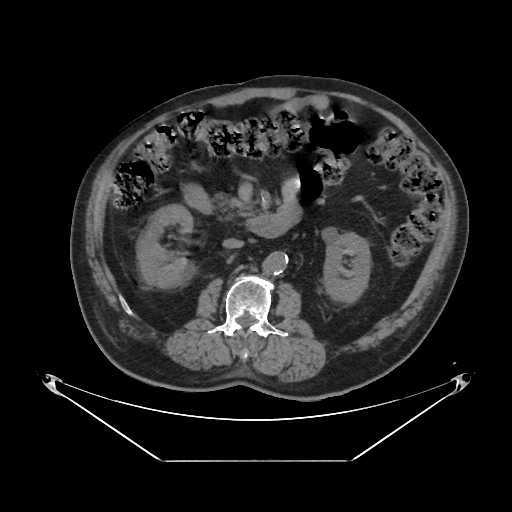

Abdominal CT · axial view · SOMATOM Force scanner
Boxes: x1:y1:x2:y2 in pixels.
Organ bounding boxes:
- right kidney: 136:205:192:287
- duodenum: 184:187:289:238
- left kidney: 324:232:370:301
- pancreas: 215:195:248:220
- inferior vena cava: 223:238:243:248
- aorta: 264:251:288:274